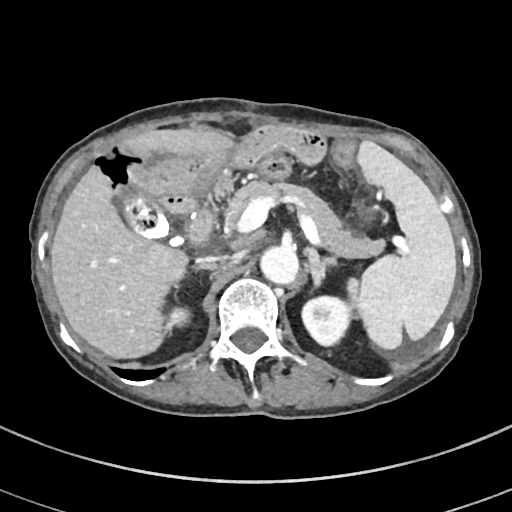

Abdominal CT. axial view. soft-tissue window
Organ boxes in pixel coordinates; each row gives the top-left (x1, y1) and bottom-right (x2, y2) corners.
| organ | x1 | y1 | x2 | y2 |
|---|---|---|---|---|
| spleen | 347 | 140 | 456 | 349 |
| right kidney | 167 | 307 | 191 | 328 |
| left kidney | 302 | 296 | 351 | 346 |
| gall bladder | 123 | 193 | 170 | 237 |
| liver | 50 | 128 | 234 | 358 |
| aorta | 260 | 246 | 298 | 284 |
| inferior vena cava | 197 | 256 | 227 | 263 |
| pancreas | 225 | 181 | 384 | 258 |
| right adrenal gland | 196 | 264 | 216 | 270 |
| left adrenal gland | 305 | 248 | 339 | 286 |
| duodenum | 186 | 207 | 214 | 245 |